Abdominal CT — axial view — 52-year-old male patient
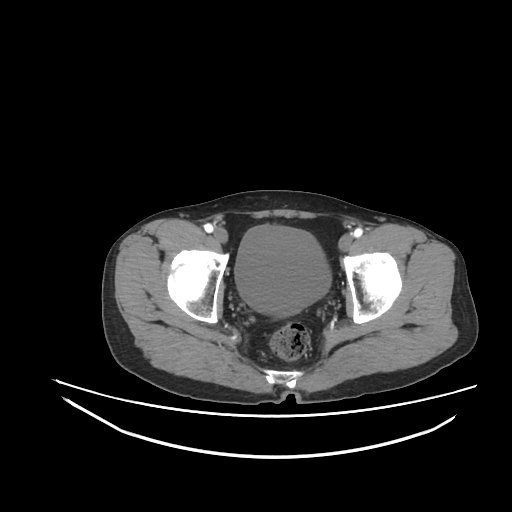
Coordinates as <box>x1,y1,x2,y2</box> in pixels.
bladder: <box>234,225,331,316</box>